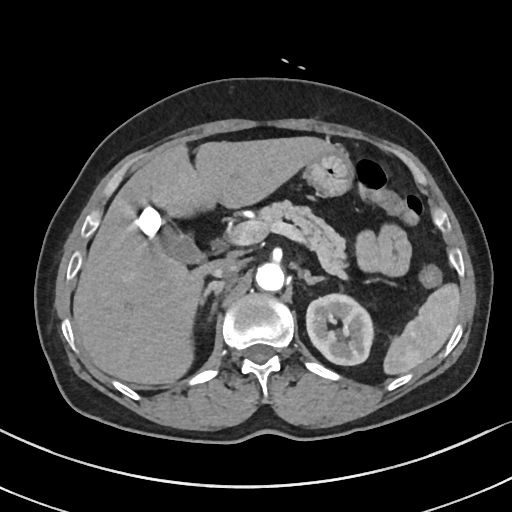 Computed tomography, abdomen — axial view
Boxes: x1:y1:x2:y2 in pixels.
spleen: 382:282:460:375
left kidney: 307:294:371:365
gall bladder: 139:208:203:261
liver: 73:136:335:385
stomach: 306:147:355:197
aorta: 256:262:285:292
inferior vena cava: 212:259:243:278
pancreas: 260:201:347:281
right adrenal gland: 199:280:228:314
left adrenal gland: 301:270:325:285